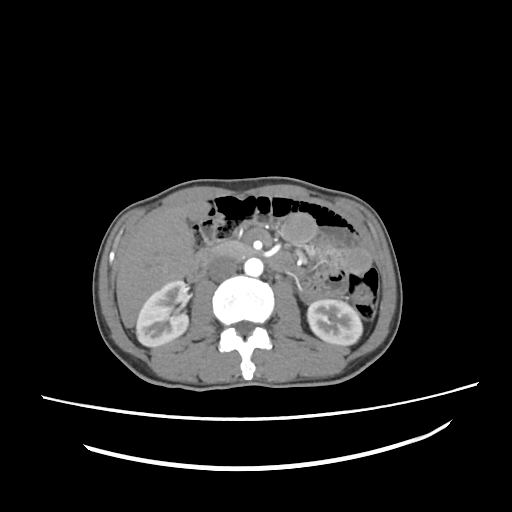

CT, abdomen/pelvis — axial view — abdomen soft-tissue window — scan has 14 labeled organs (that count is for the whole scan; organs this slice misses have no box)
Boxes are (x1, y1, x2, y2) in pixels.
Organ bounding boxes:
- liver: (116, 201, 209, 327)
- left kidney: (307, 299, 362, 345)
- inferior vena cava: (208, 257, 238, 280)
- aorta: (244, 258, 263, 276)
- pancreas: (200, 240, 254, 258)
- duodenum: (187, 252, 290, 281)
- right kidney: (136, 280, 188, 346)